Chest-level slice from an abdominal CT that extends up into the chest. axial view. scan has 15 labeled organs (a whole-scan count: organs this slice does not pass through have no box)
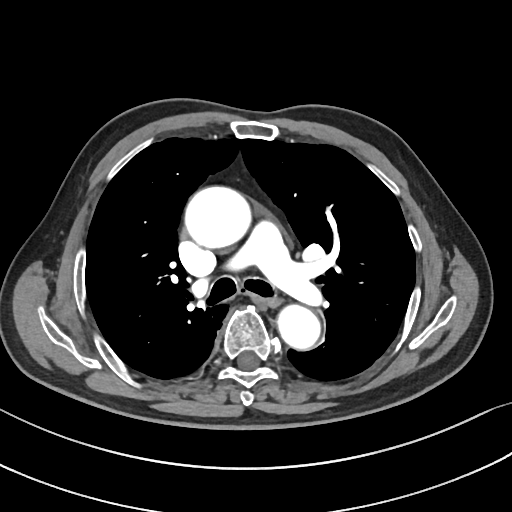
On a slice this high in the chest, this dataset labels only the esophagus and the aorta, and each is boxed only where it is labeled; the heart, lungs and other chest structures are not labeled.
<organs><organ name="esophagus" x1="260" y1="293" x2="279" y2="306"/><organ name="aorta" x1="186" y1="187" x2="253" y2="247"/><organ name="aorta" x1="276" y1="303" x2="319" y2="348"/></organs>